Chest-level slice from an abdominal CT that extends up into the chest. axial view. soft-tissue window. SOMATOM Force scanner. 15 organs annotated in this scan (counted over the whole 3D scan, not this slice; an organ is boxed only where this slice passes through it)
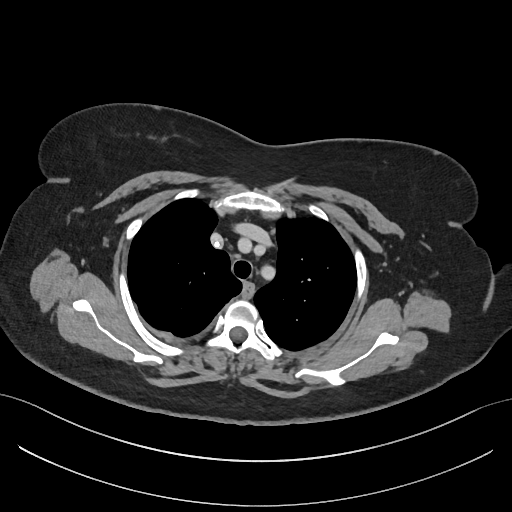
At this level of the chest this dataset labels only the esophagus and the aorta, and each is boxed only where it is labeled; the heart and lungs are never labeled.
<organs><organ name="esophagus" x1="243" y1="284" x2="253" y2="296"/></organs>